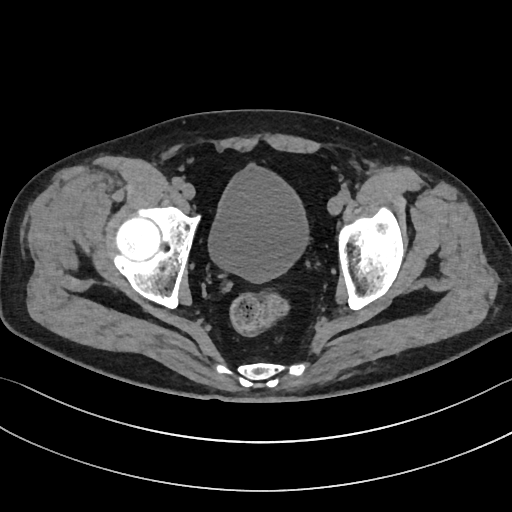
Abdominal CT — axial plane, index 37 — 512x512 px
{"organs":{"bladder":[207,165,310,281]}}